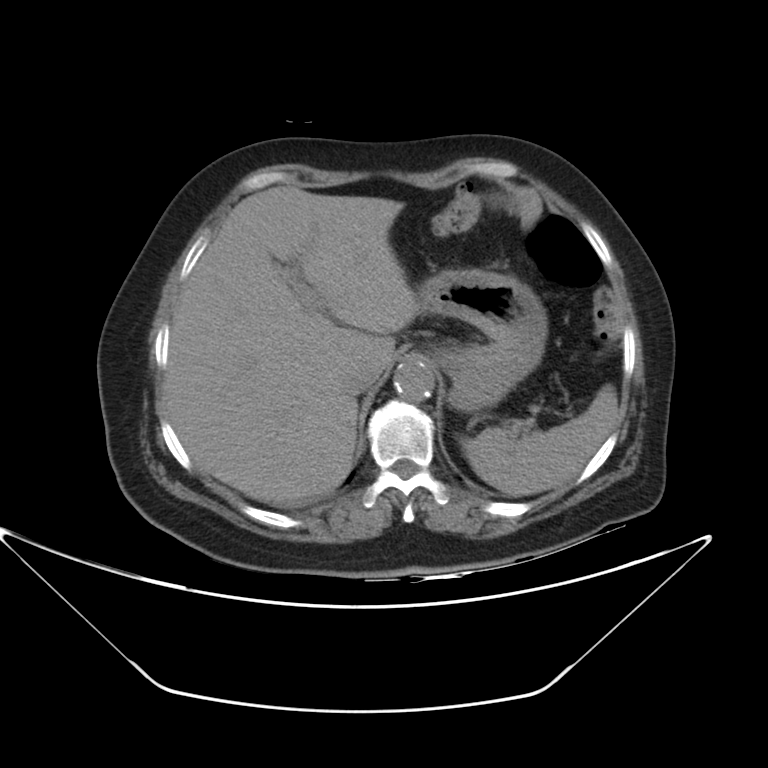 CT, abdomen/pelvis. axial view. 768x768 px
Box edges are left/top/right/bottom in pixels.
Organ bounding boxes:
- spleen: left=461, top=384, right=620, bottom=496
- liver: left=160, top=186, right=419, bottom=503
- stomach: left=418, top=268, right=547, bottom=411
- aorta: left=393, top=358, right=434, bottom=401
- inferior vena cava: left=348, top=357, right=383, bottom=388